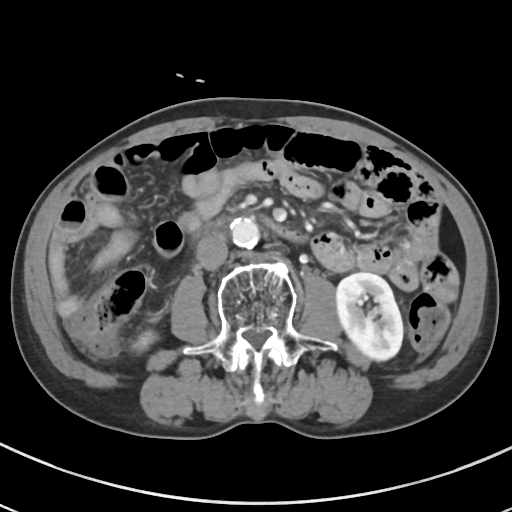 CT abdomen · axial view · 15 organs annotated in this scan (a whole-scan count: organs this slice does not pass through have no box)
{"organs":{"right kidney":[133,332,155,352],"left kidney":[336,272,403,360],"aorta":[230,218,259,248],"inferior vena cava":[196,233,228,270],"duodenum":[194,215,302,240]}}